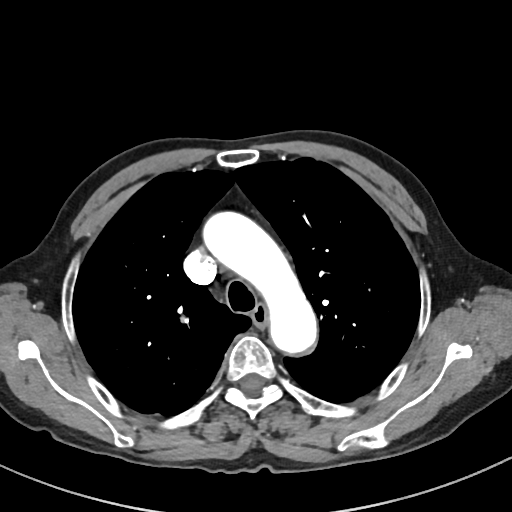
Abdominal CT reaching into the chest; this slice is in the chest · Axial slice 268/303 · soft-tissue window · 512x512 px · SOMATOM Force scanner
At this level of the chest this dataset labels only the esophagus and the aorta, and each is boxed only where it is labeled; the heart and lungs are never labeled.
Bounding boxes in pixels, one row per box: x1, y1 is the top-left corner and x2, y2 the bottom-right.
| organ | x1 | y1 | x2 | y2 |
|---|---|---|---|---|
| esophagus | 251 | 304 | 269 | 326 |
| aorta | 200 | 210 | 317 | 355 |